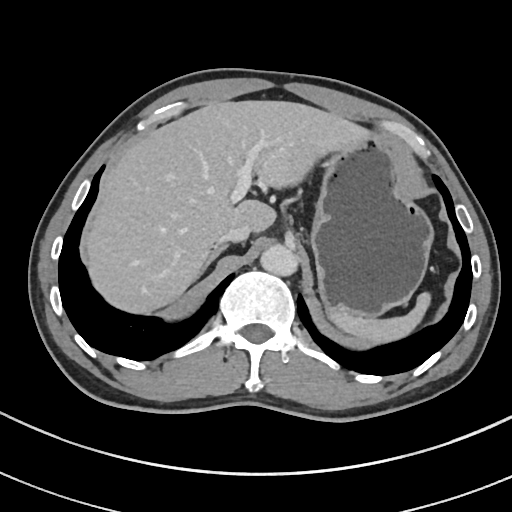 CT abdomen; axial view
Box edges are left/top/right/bottom in pixels.
Organ bounding boxes:
- aorta: left=260, top=245, right=298, bottom=276
- inferior vena cava: left=218, top=223, right=251, bottom=242
- liver: left=84, top=100, right=365, bottom=312
- stomach: left=310, top=131, right=433, bottom=317
- spleen: left=329, top=292, right=430, bottom=343
- right adrenal gland: left=201, top=244, right=227, bottom=274